Computed tomography, abdomen; Axial slice 166/204
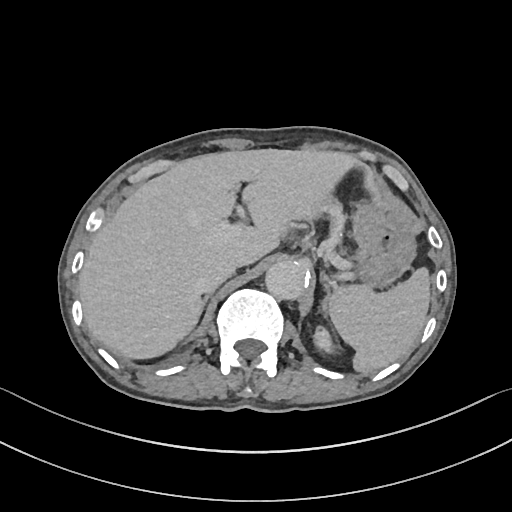 Bounding boxes as [x1, y1, x2, y2] in pixel coordinates.
spleen: [329, 267, 430, 373]
left kidney: [313, 326, 336, 352]
liver: [78, 149, 381, 359]
stomach: [352, 199, 415, 286]
aorta: [265, 259, 308, 299]
inferior vena cava: [200, 256, 238, 291]
pancreas: [325, 199, 344, 217]
right adrenal gland: [197, 293, 211, 322]
left adrenal gland: [320, 272, 329, 313]